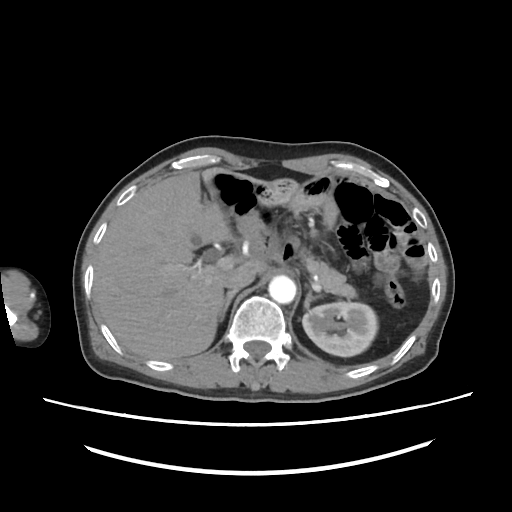 CT, abdomen/pelvis · axial view
{"organs":{"left kidney":[302,301,377,355],"liver":[94,167,268,359],"aorta":[269,275,296,302],"inferior vena cava":[222,264,255,292],"pancreas":[291,236,357,299],"right adrenal gland":[220,292,238,320],"left adrenal gland":[304,288,323,310]}}